CT, abdomen/pelvis. Axial slice 61/107. 768x768 px. 47-year-old male patient
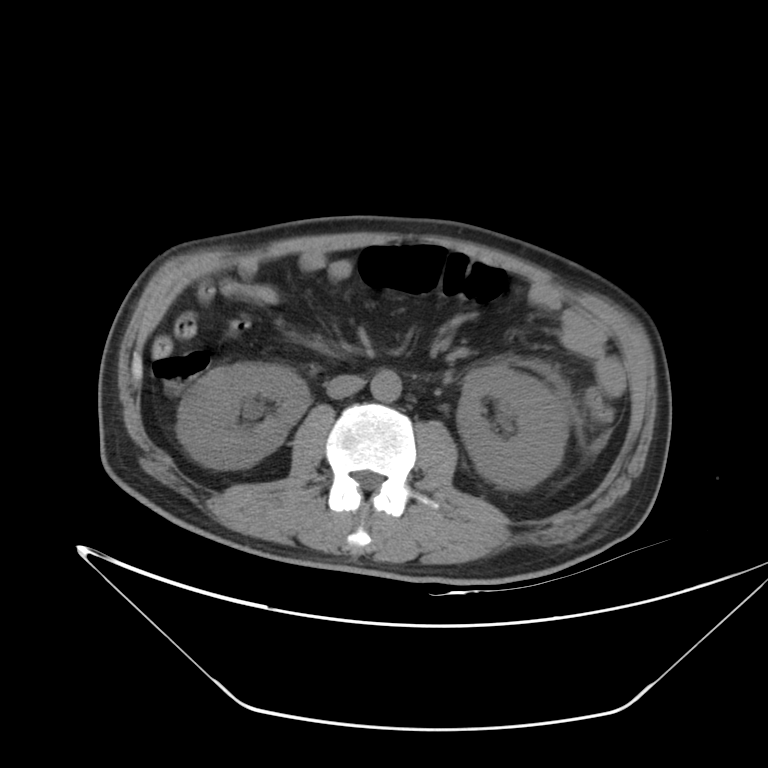
Each box given as x1,y1,x2,y2.
Organ bounding boxes:
- right kidney: x1=177, y1=362, x2=309, y2=468
- left kidney: x1=456, y1=365, x2=567, y2=488
- aorta: x1=370, y1=369, x2=401, y2=401
- inferior vena cava: x1=327, y1=374, x2=364, y2=398